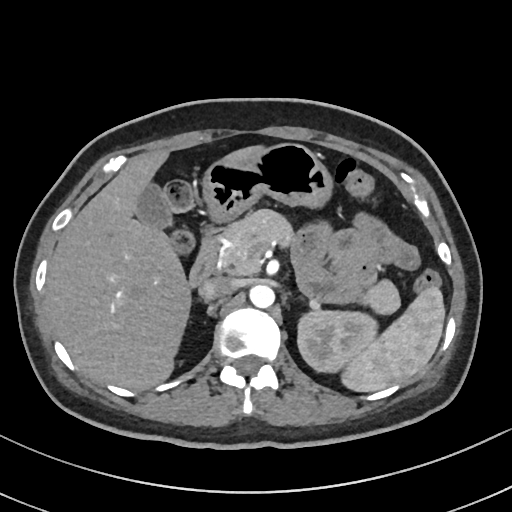
Abdominal CT — Axial slice 143/191 — soft-tissue window — 512x512 px — 15 organs annotated in this scan (that count is for the whole scan; organs this slice misses have no box)
Bounding boxes as [x1, y1, x2, y2] in pixel coordinates.
spleen: [342, 287, 445, 391]
left kidney: [296, 309, 377, 375]
gall bladder: [136, 182, 170, 227]
liver: [46, 147, 257, 389]
stomach: [202, 142, 330, 222]
aorta: [248, 284, 275, 307]
inferior vena cava: [198, 277, 235, 300]
pancreas: [218, 209, 399, 312]
duodenum: [190, 228, 222, 285]